Computed tomography, abdomen; axial view; soft-tissue window (W 400 / L 40); 61-year-old female patient; 14 organs annotated in this scan (that count is for the whole scan; organs this slice misses have no box)
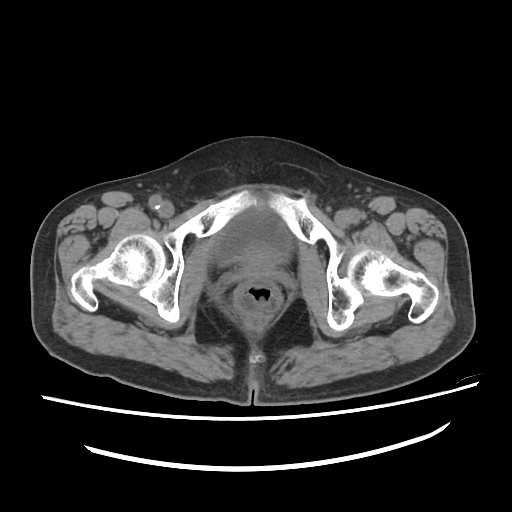 <organs><organ name="bladder" x1="214" y1="209" x2="290" y2="264"/></organs>